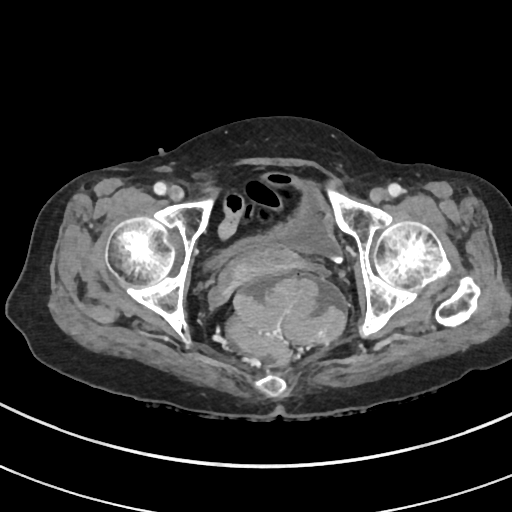

Computed tomography, abdomen. axial view. W/L 400/40 HU
Boxes are (x1, y1, x2, y2) in pixels.
Organ bounding boxes:
- bladder: (206, 173, 341, 267)
- prostate/uterus: (220, 244, 298, 288)